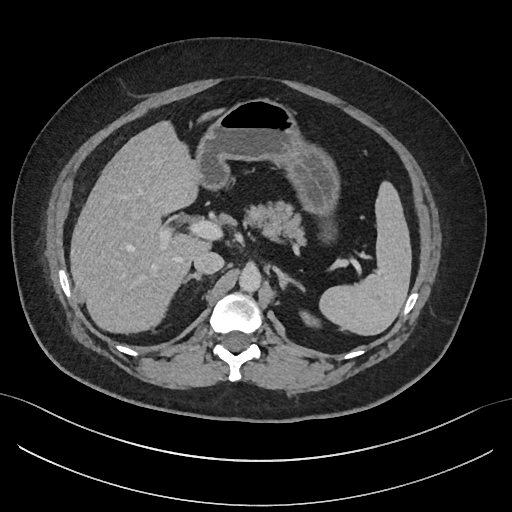

Abdominal CT · axial plane, index 163 · soft-tissue window · acquired on SOMATOM Force
Bounding boxes as [x1, y1, x2, y2] in pixel coordinates.
Organ bounding boxes:
- spleen: [319, 183, 411, 335]
- left kidney: [301, 312, 318, 326]
- liver: [70, 110, 222, 333]
- stomach: [194, 98, 339, 215]
- aorta: [239, 266, 261, 292]
- inferior vena cava: [193, 250, 224, 274]
- pancreas: [243, 200, 304, 242]
- right adrenal gland: [183, 273, 202, 283]
- left adrenal gland: [272, 266, 304, 291]